CT abdomen · axial plane, index 17 · soft-tissue window (W 400 / L 40) · 768x768 px · acquired on Brilliance16
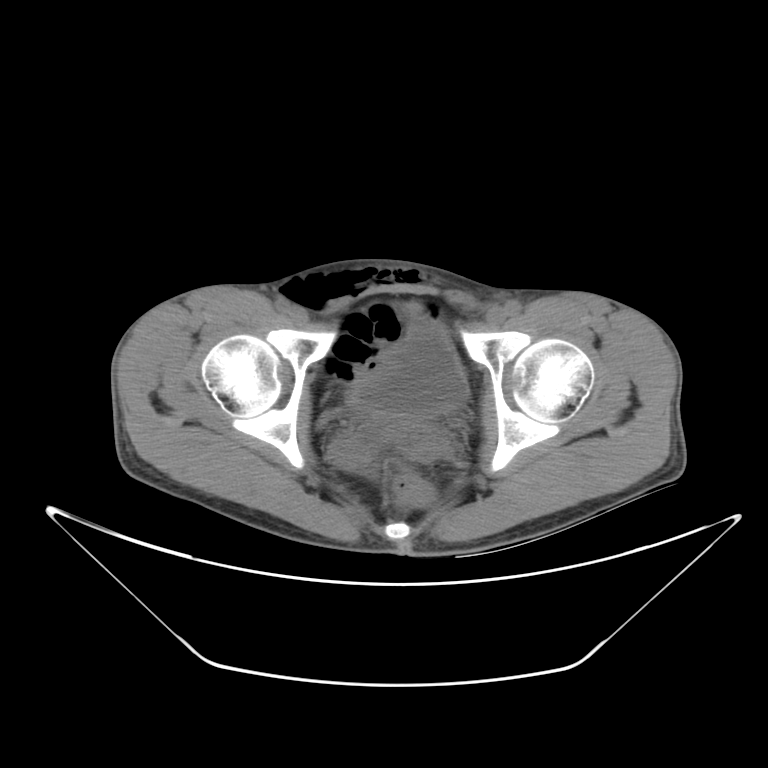
Organ boxes in pixel coordinates; each row gives the top-left (x1, y1) and bottom-right (x2, y2) corners.
| organ | x1 | y1 | x2 | y2 |
|---|---|---|---|---|
| bladder | 354 | 329 | 466 | 414 |